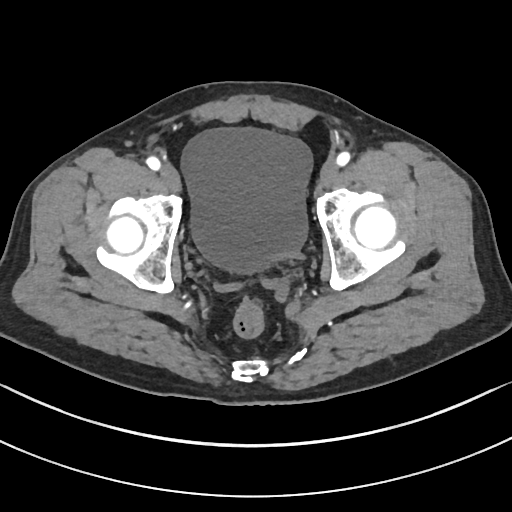

Abdominal CT; axial view; abdomen soft-tissue window; 512x512 px; 15 organs annotated in this scan (counted over the whole 3D scan, not this slice; an organ is boxed only where this slice passes through it)
Boxes are (x1, y1, x2, y2) in pixels. Labeled organs on this slice: bladder at (181, 128, 312, 271).